CT abdomen · axial view · soft-tissue window (W 400 / L 40)
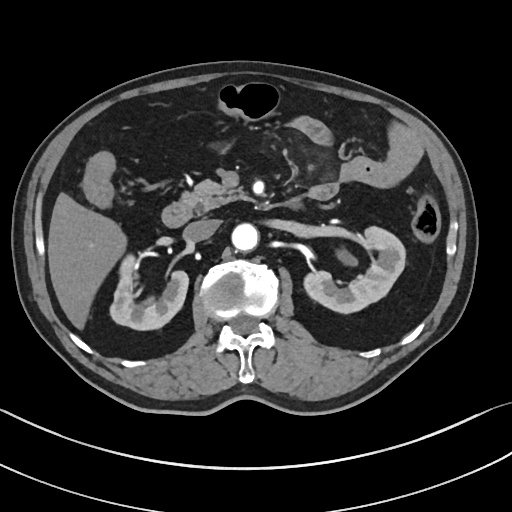 Bounding boxes in pixels, one row per box: x1, y1 is the top-left corner and x2, y2 the bottom-right.
| organ | x1 | y1 | x2 | y2 |
|---|---|---|---|---|
| right kidney | 109 | 254 | 188 | 330 |
| left kidney | 304 | 226 | 405 | 313 |
| liver | 48 | 192 | 127 | 329 |
| aorta | 231 | 223 | 258 | 251 |
| inferior vena cava | 183 | 219 | 219 | 241 |
| pancreas | 181 | 179 | 248 | 213 |
| duodenum | 162 | 201 | 191 | 227 |